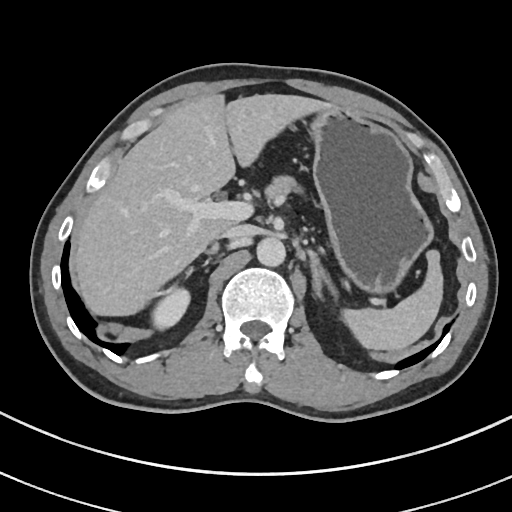 CT, abdomen/pelvis — Axial slice 143/298 — W/L 400/40 HU
Coordinates as <box>x1,y1,x2,y2</box> in pixels. 9 labeled organs on this slice — spleen at <box>344,249,444,351</box>; right kidney at <box>152,289,191,329</box>; liver at <box>73,94,321,315</box>; stomach at <box>301,101,431,288</box>; aorta at <box>256,236,284,265</box>; inferior vena cava at <box>219,225,252,238</box>; pancreas at <box>263,176,298,202</box>; right adrenal gland at <box>208,245,216,253</box>; left adrenal gland at <box>307,249,338,297</box>.